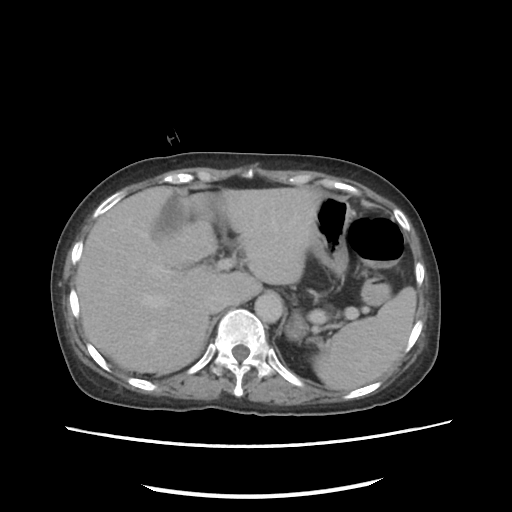

CT, abdomen/pelvis. axial plane, index 73. soft-tissue window. acquired on Aquilion ONE
Boxes are (x1, y1, x2, y2) in pixels. Labeled organs on this slice: aorta at (255, 293, 282, 322), inferior vena cava at (205, 293, 228, 313), stomach at (288, 194, 352, 338), liver at (75, 186, 324, 373), gall bladder at (153, 193, 188, 238), spleen at (313, 286, 416, 390).